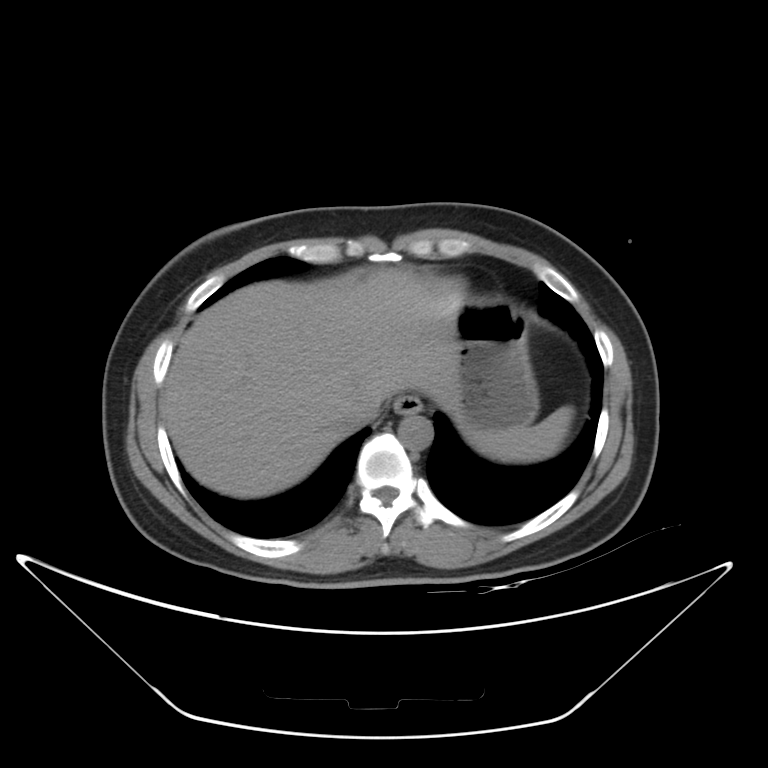 Abdominal CT; Axial slice 88/105; abdomen soft-tissue window; 39-year-old female patient; 15 organs annotated in this scan (that count is for the whole scan; organs this slice misses have no box)
<organs><organ name="spleen" x1="462" y1="405" x2="572" y2="462"/><organ name="esophagus" x1="393" y1="395" x2="422" y2="414"/><organ name="aorta" x1="397" y1="414" x2="433" y2="450"/><organ name="inferior vena cava" x1="342" y1="395" x2="383" y2="429"/><organ name="stomach" x1="452" y1="297" x2="539" y2="431"/><organ name="liver" x1="162" y1="267" x2="462" y2="498"/></organs>